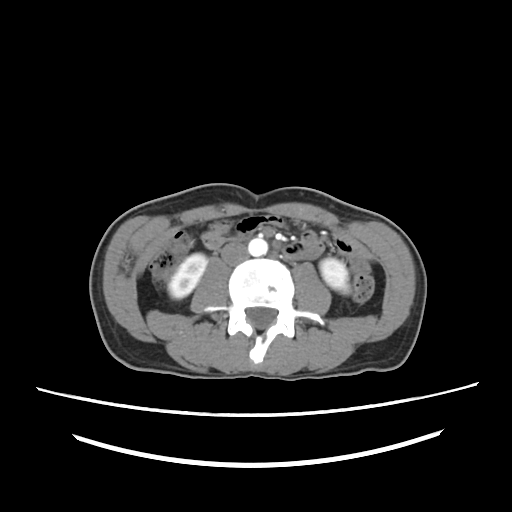
Computed tomography, abdomen; axial plane, index 14; 512x512 px
Each box given as x1,y1,x2,y2.
Organ bounding boxes:
- right kidney: x1=168, y1=254, x2=206, y2=297
- left kidney: x1=320, y1=257, x2=351, y2=294
- aorta: x1=249, y1=238, x2=267, y2=256
- inferior vena cava: x1=220, y1=242, x2=246, y2=264